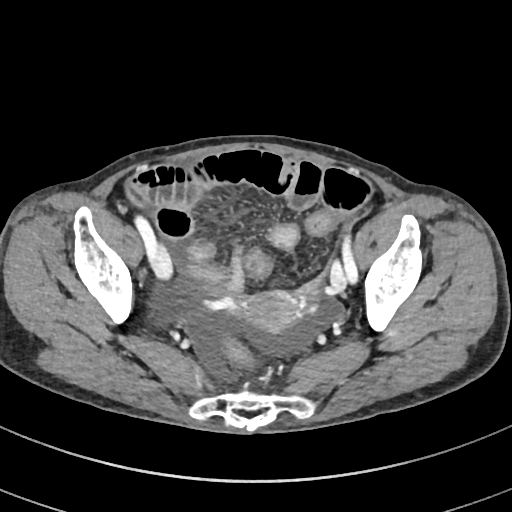
Abdominal CT · Axial slice 40/198 · acquired on SOMATOM Force
Each box given as x1,y1,x2,y2.
prostate/uterus: x1=240, y1=290, x2=303, y2=334